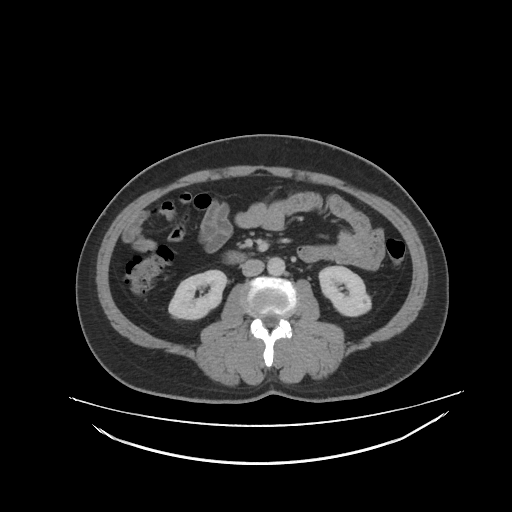
CT abdomen — axial plane, index 58 — soft-tissue window (W 400 / L 40) — 45-year-old male patient
Coordinates as <box>x1,y1,x2,y2</box> in pixels. The annotated organs in this slice are: right kidney at <box>168,271,227,318</box>, left kidney at <box>319,266,371,316</box>, aorta at <box>267,256,284,275</box>, inferior vena cava at <box>241,259,263,275</box>, duodenum at <box>223,251,244,263</box>.